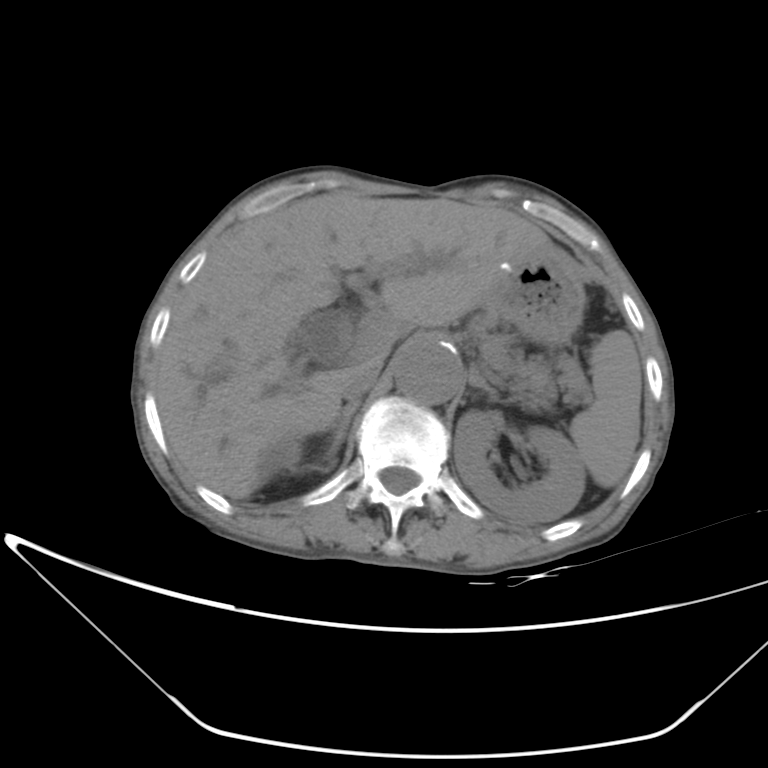 CT, abdomen/pelvis; axial plane, index 64
Bounding boxes as [x1, y1, x2, y2] in pixel coordinates.
spleen: [570, 330, 642, 488]
right kidney: [281, 440, 301, 467]
left kidney: [455, 411, 585, 523]
liver: [154, 190, 554, 499]
stomach: [489, 248, 585, 346]
aorta: [395, 343, 462, 403]
inferior vena cava: [341, 357, 382, 400]
pancreas: [469, 312, 554, 405]
right adrenal gland: [326, 398, 359, 462]
left adrenal gland: [467, 363, 495, 397]